CT abdomen · axial view · soft-tissue window · acquired on SOMATOM Force
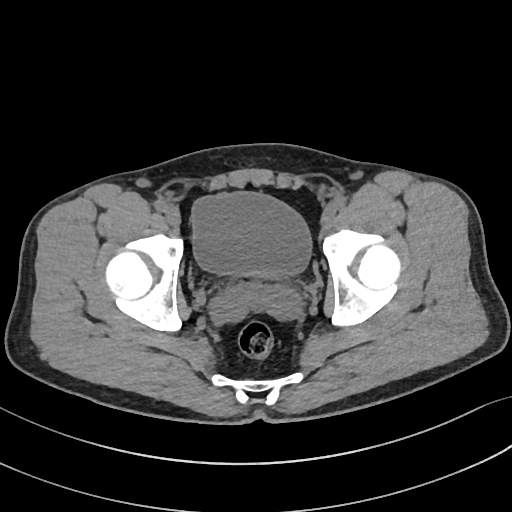

Coordinates as <box>x1,y1,x2,y2</box> in pixels.
bladder: <box>191,192,311,278</box>